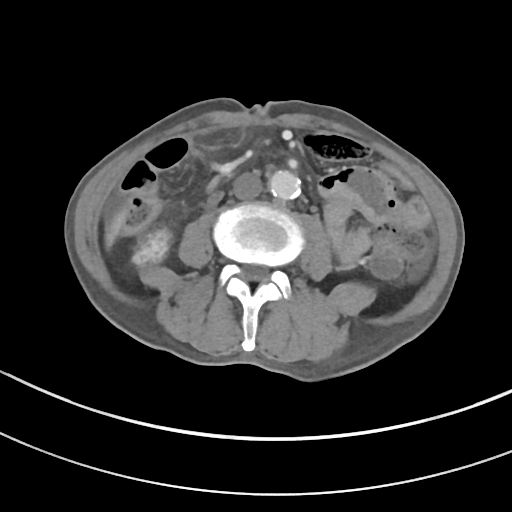

Abdominal CT. axial view. soft-tissue window (W 400 / L 40). 512x512 px
Organ boxes in pixel coordinates; each row gives the top-left (x1, y1) and bottom-right (x2, y2) corners.
| organ | x1 | y1 | x2 | y2 |
|---|---|---|---|---|
| right kidney | 133 | 224 | 170 | 264 |
| liver | 105 | 209 | 129 | 247 |
| aorta | 269 | 170 | 300 | 199 |
| inferior vena cava | 232 | 172 | 262 | 200 |